CT, abdomen/pelvis. axial plane, index 145. scan has 15 labeled organs (a whole-scan count: organs this slice does not pass through have no box)
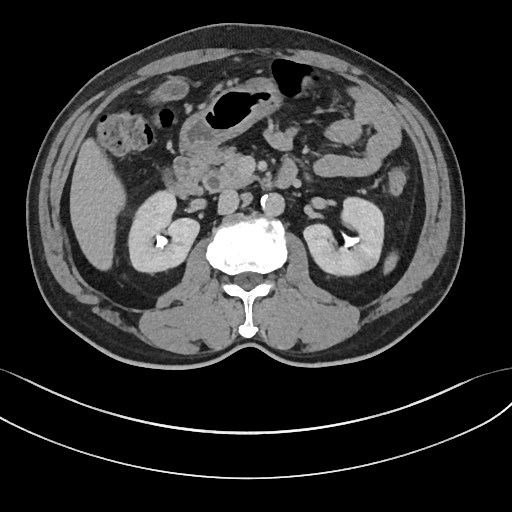 Boxes: x1 y1 x2 y2 (pixel coords, space-separated).
Organ bounding boxes:
- spleen: 383 252 398 273
- right kidney: 128 191 199 273
- left kidney: 303 197 383 275
- gall bladder: 150 78 187 103
- liver: 70 138 125 270
- stomach: 180 77 282 156
- aorta: 260 193 284 216
- inferior vena cava: 217 189 239 214
- pancreas: 202 149 256 193
- duodenum: 165 151 297 197